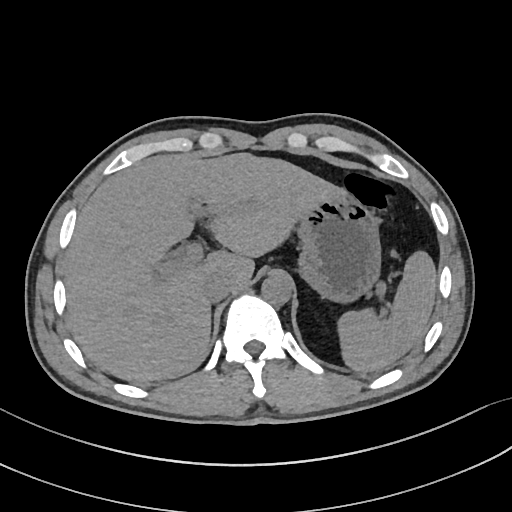 Abdominal CT · axial plane, index 195 · 512x512 px · SOMATOM Force scanner · 15 organs annotated in this scan (a whole-scan count: organs this slice does not pass through have no box)
Bounding boxes in pixels, one row per box: x1, y1 is the top-left corner and x2, y2 the bottom-right.
| organ | x1 | y1 | x2 | y2 |
|---|---|---|---|---|
| spleen | 335 | 251 | 436 | 371 |
| liver | 65 | 153 | 349 | 382 |
| stomach | 298 | 194 | 382 | 303 |
| aorta | 262 | 274 | 293 | 305 |
| inferior vena cava | 202 | 273 | 232 | 302 |